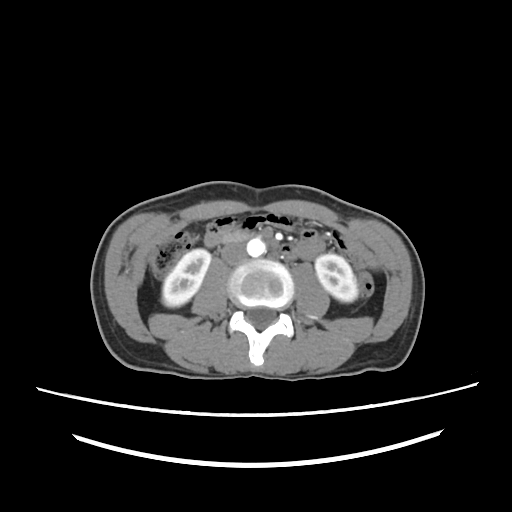

CT abdomen · axial view · W/L 400/40 HU · 51-year-old male patient
Bounding boxes in pixels, one row per box: x1, y1 is the top-left corner and x2, y2 the bottom-right.
| organ | x1 | y1 | x2 | y2 |
|---|---|---|---|---|
| right kidney | 161 | 250 | 210 | 306 |
| left kidney | 314 | 254 | 357 | 303 |
| aorta | 247 | 238 | 265 | 256 |
| inferior vena cava | 220 | 242 | 246 | 264 |
| duodenum | 221 | 228 | 258 | 242 |